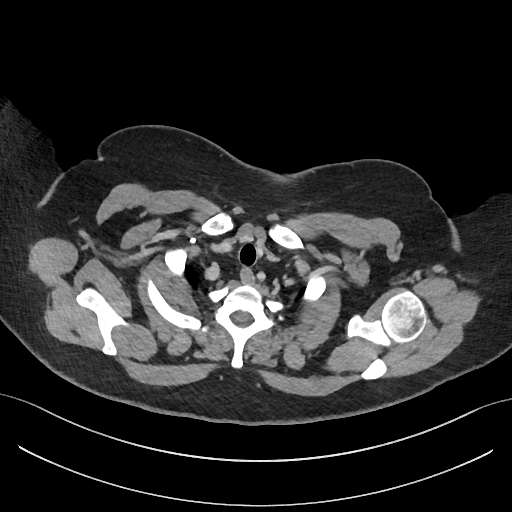 CT of the abdomen extending into the chest, slice through the chest · axial view · soft-tissue window · 512x512 px · SOMATOM Force scanner
At this level of the chest no structure but the esophagus and the aorta has a label in this dataset, and those two are boxed only where they are labeled. Boxes: x1:y1:x2:y2 in pixels. The annotated organs in this slice are: esophagus at 240:268:254:283.